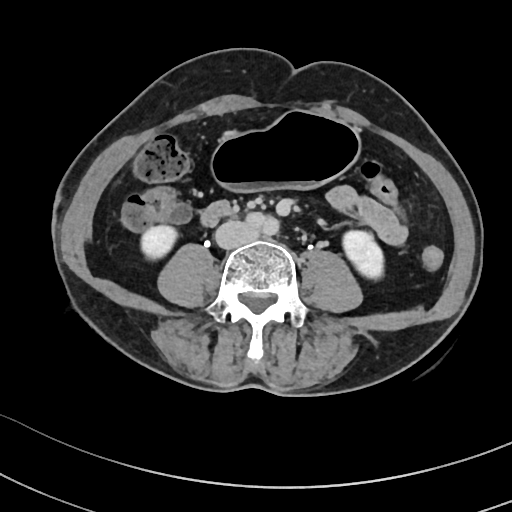
CT, abdomen/pelvis — axial view — 512x512 px
{"organs":{"duodenum":[201,203,230,225],"stomach":[211,112,360,190],"left kidney":[342,230,383,279],"right kidney":[140,225,177,260],"inferior vena cava":[214,220,257,248]}}